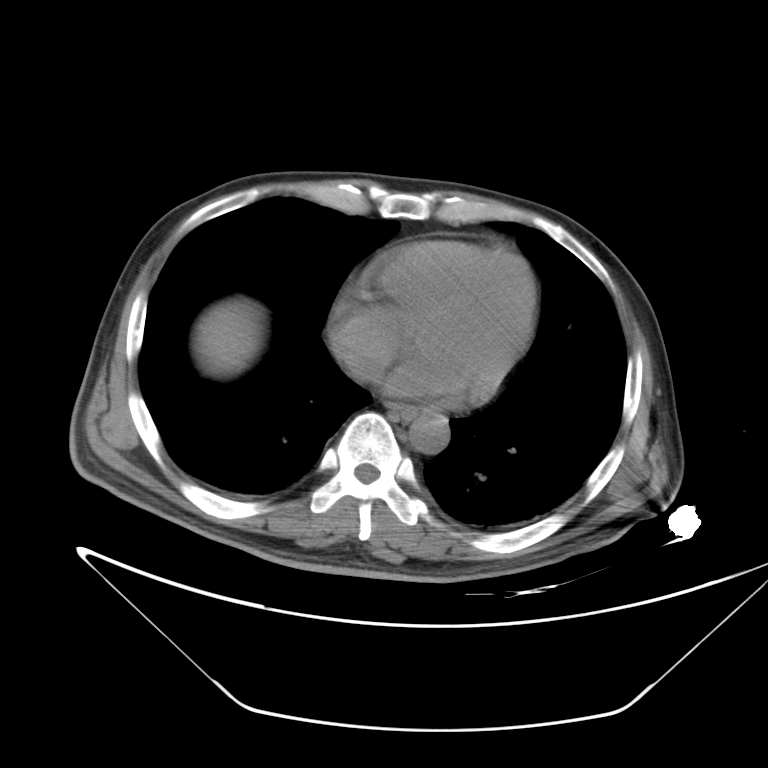

CT abdomen. Axial slice 100/107
{"organs":{"esophagus":[386,402,417,420],"liver":[194,299,260,374],"aorta":[409,415,449,453],"inferior vena cava":[348,358,380,377]}}